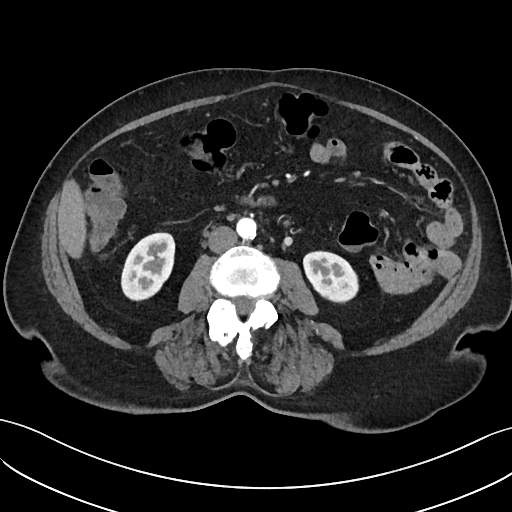 CT abdomen. axial view
Boxes are (x1, y1, x2, y2) in pixels. The annotated organs in this slice are: right kidney at (121, 233, 174, 299), left kidney at (304, 252, 357, 299), liver at (57, 181, 84, 259), aorta at (236, 217, 256, 238), inferior vena cava at (208, 226, 237, 252), duodenum at (246, 197, 269, 204).